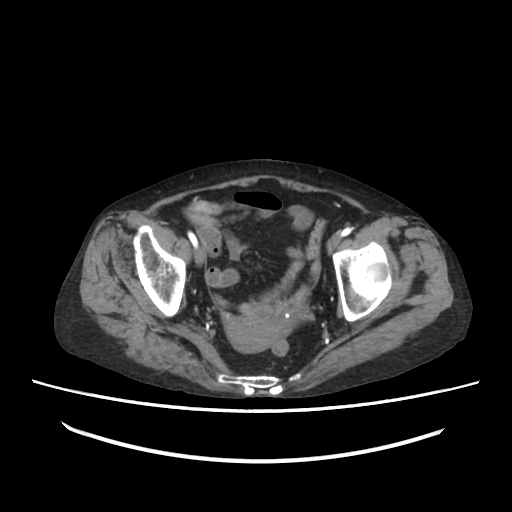
Abdominal CT; axial view; abdomen soft-tissue window; 512x512 px; 61-year-old female patient; acquired on Aquilion ONE
One row per box, in pixels: columns x1 and y1 give the top-left corner, x2 and y2 the bottom-right.
| organ | x1 | y1 | x2 | y2 |
|---|---|---|---|---|
| prostate/uterus | 224 | 316 | 278 | 352 |